Abdominal CT · axial view
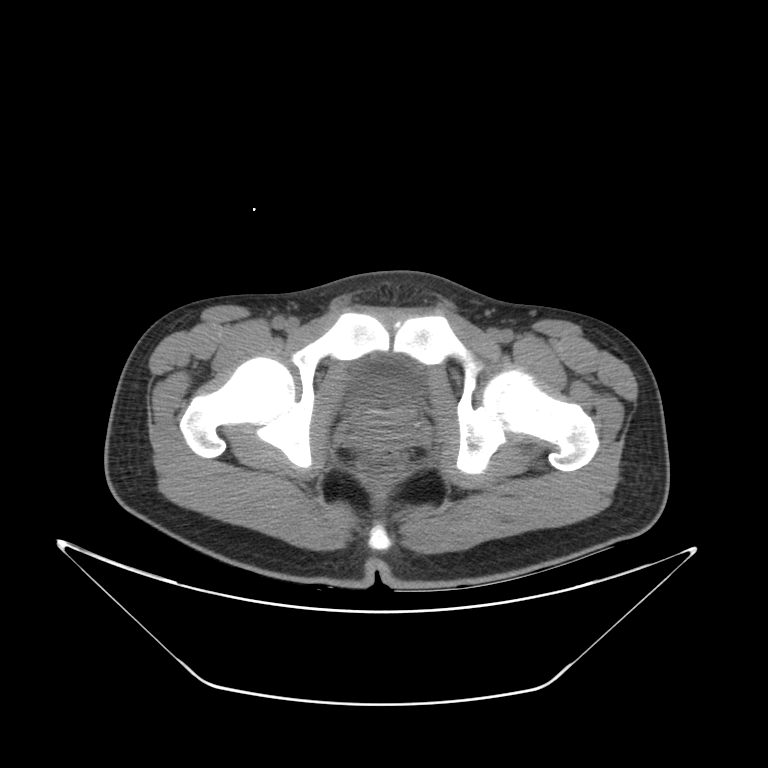
Bounding boxes in pixels, one row per box: x1, y1 is the top-left corner and x2, y2 the bottom-right.
| organ | x1 | y1 | x2 | y2 |
|---|---|---|---|---|
| bladder | 352 | 357 | 423 | 406 |
| prostate/uterus | 362 | 403 | 408 | 429 |